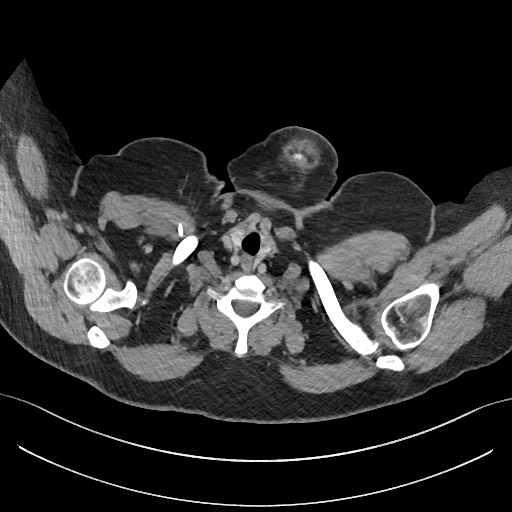

Abdominal CT reaching into the chest; this slice is in the chest; axial view; 512x512 px; acquired on SOMATOM Force
At this level of the chest no structure but the esophagus and the aorta has a label in this dataset, and those two are boxed only where they are labeled.
Box edges are left/top/right/bottom in pixels.
Organ bounding boxes:
- esophagus: left=241, top=256, right=253, bottom=271